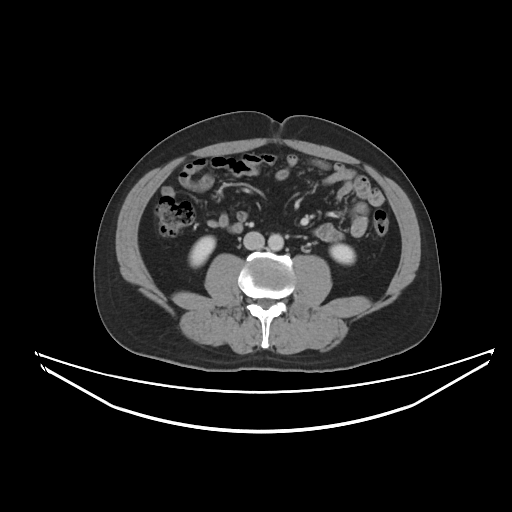
Abdominal CT — axial view — W/L 400/40 HU — 40-year-old male patient — 15 organs annotated in this scan (a whole-scan count: organs this slice does not pass through have no box)
{"organs":{"right kidney":[189,236,215,266],"inferior vena cava":[243,231,264,249],"left kidney":[330,244,354,263],"aorta":[268,234,283,250]}}